CT, abdomen/pelvis. axial plane, index 52. 45-year-old male patient
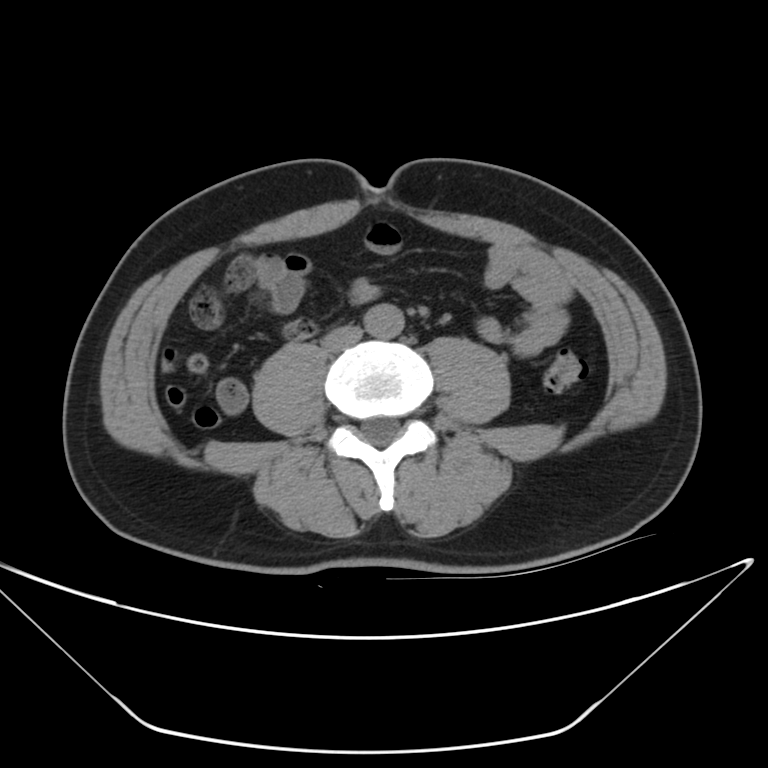 <organs><organ name="aorta" x1="365" y1="307" x2="407" y2="339"/><organ name="inferior vena cava" x1="321" y1="324" x2="363" y2="350"/></organs>